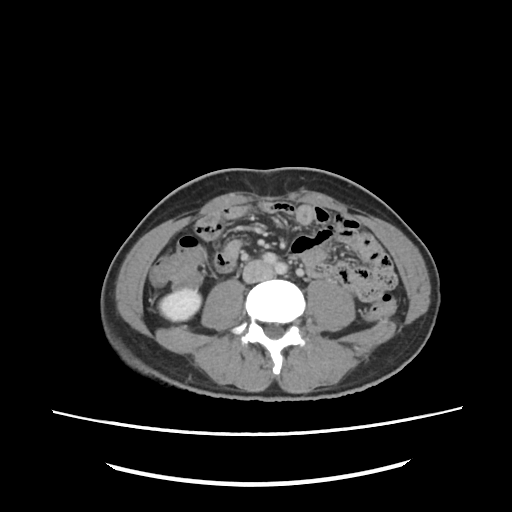
CT, abdomen/pelvis. Axial slice 47/123. 512x512 px. 54-year-old male patient
Bounding boxes in pixels, one row per box: x1, y1 is the top-left corner and x2, y2 the bottom-right.
| organ | x1 | y1 | x2 | y2 |
|---|---|---|---|---|
| inferior vena cava | 243 | 260 | 273 | 283 |
| right kidney | 159 | 289 | 200 | 321 |